CT, abdomen/pelvis · axial view · W/L 400/40 HU · Aquilion ONE scanner
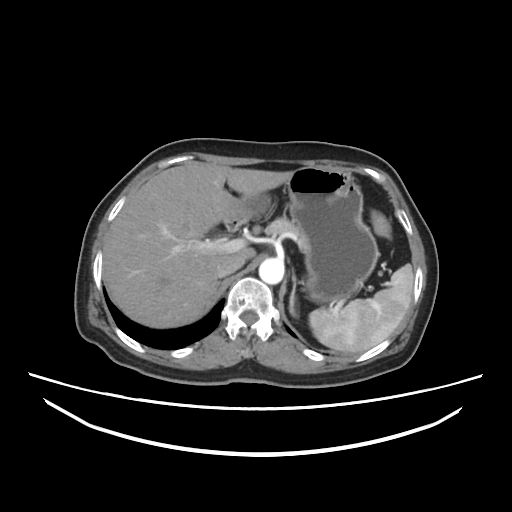

Each box given as x1,y1,x2,y2. 9 labeled organs on this slice — left adrenal gland at x1=288, y1=273, x2=298, y2=316; liver at x1=103, y1=161, x2=292, y2=328; aorta at x1=258, y1=259, x2=284, y2=284; pancreas at x1=257, y1=215, x2=303, y2=246; spleen at x1=307, y1=264, x2=413, y2=352; duodenum at x1=227, y1=218, x2=245, y2=231; inferior vena cava at x1=215, y1=257, x2=243, y2=277; stomach at x1=227, y1=166, x2=380, y2=305; right adrenal gland at x1=216, y1=287, x2=217, y2=288.